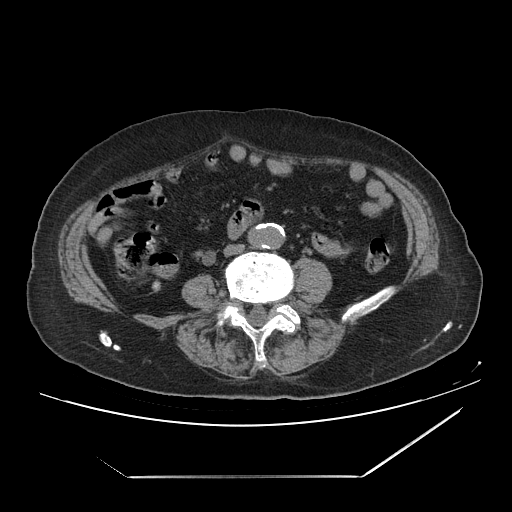 CT abdomen; axial view; soft-tissue window; 512x512 px; 15 organs annotated in this scan (counted over the whole 3D scan, not this slice; an organ is boxed only where this slice passes through it)
<organs><organ name="inferior vena cava" x1="224" y1="244" x2="244" y2="255"/><organ name="aorta" x1="249" y1="223" x2="284" y2="248"/></organs>